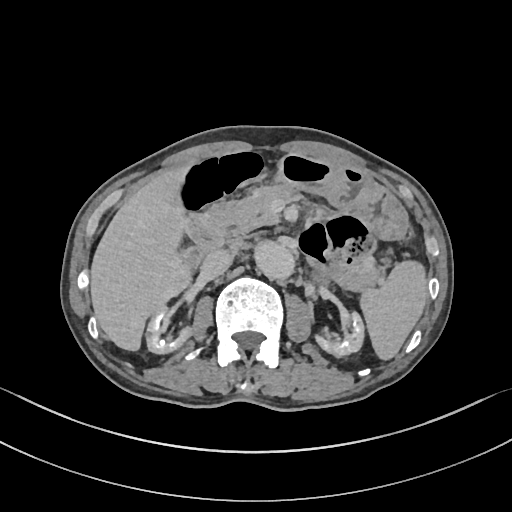
CT abdomen; axial view; abdomen soft-tissue window; SOMATOM Force scanner; 15 organs annotated in this scan (counted over the whole 3D scan, not this slice; an organ is boxed only where this slice passes through it)
Box edges are left/top/right/bottom in pixels. The annotated organs in this slice are: spleen at left=357, top=261, right=427, bottom=361, right kidney at left=146, top=309, right=191, bottom=354, left kidney at left=315, top=312, right=363, bottom=357, gall bladder at left=184, top=246, right=200, bottom=262, liver at left=89, top=165, right=194, bottom=350, stomach at left=278, top=153, right=408, bottom=240, aorta at left=254, top=241, right=295, bottom=281, inferior vena cava at left=201, top=249, right=232, bottom=278, pancreas at left=211, top=182, right=382, bottom=286, left adrenal gland at left=311, top=268, right=329, bottom=285, duodenum at left=188, top=210, right=229, bottom=263.